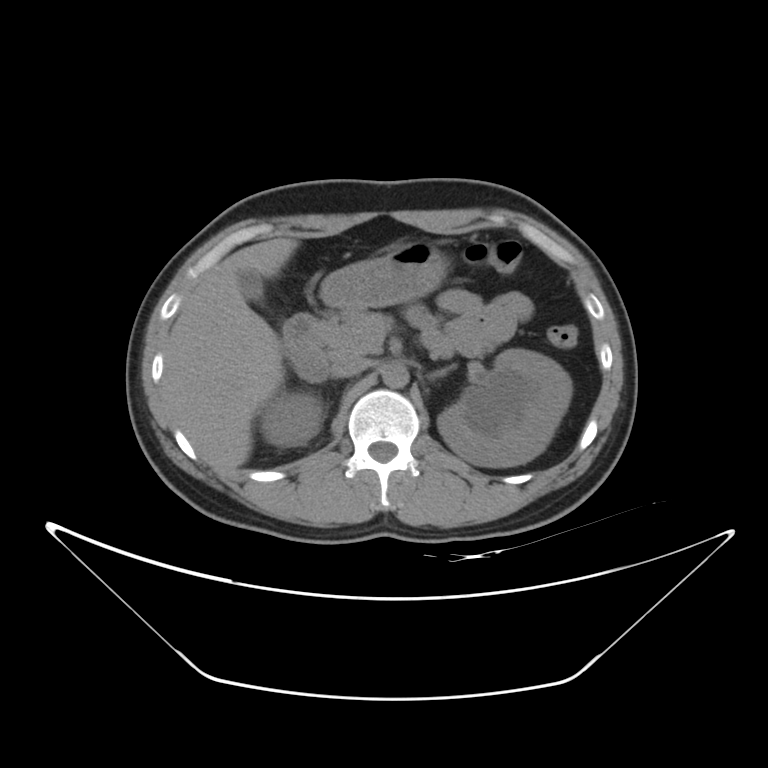

Computed tomography, abdomen. axial view. soft-tissue window. 25-year-old male patient
<organs><organ name="right kidney" x1="259" y1="390" x2="322" y2="446"/><organ name="left kidney" x1="438" y1="349" x2="572" y2="468"/><organ name="gall bladder" x1="237" y1="270" x2="264" y2="302"/><organ name="liver" x1="163" y1="237" x2="297" y2="470"/><organ name="stomach" x1="320" y1="239" x2="449" y2="311"/><organ name="aorta" x1="382" y1="361" x2="408" y2="388"/><organ name="inferior vena cava" x1="330" y1="355" x2="369" y2="377"/><organ name="pancreas" x1="319" y1="308" x2="393" y2="357"/><organ name="left adrenal gland" x1="429" y1="369" x2="448" y2="378"/><organ name="duodenum" x1="283" y1="314" x2="328" y2="381"/></organs>